Chest-level CT slice, above the liver and spleen · axial view · soft-tissue window · 512x512 px
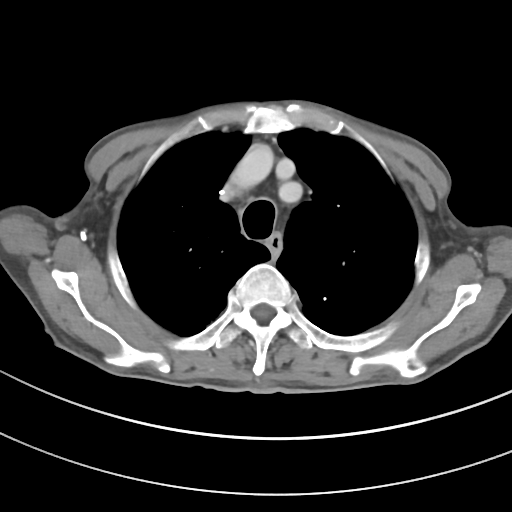 On a slice this high in the chest, this dataset labels only the esophagus and the aorta, and each is boxed only where it is labeled; the heart, lungs and other chest structures are not labeled.
Organ boxes in pixel coordinates; each row gives the top-left (x1, y1) and bottom-right (x2, y2) corners.
| organ | x1 | y1 | x2 | y2 |
|---|---|---|---|---|
| esophagus | 267 | 234 | 281 | 251 |